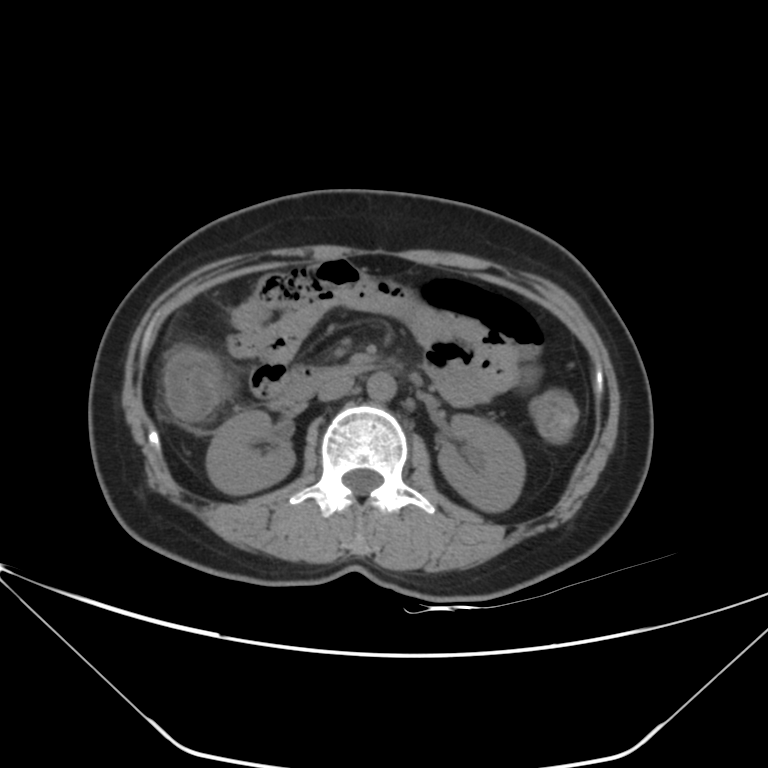 CT abdomen. axial view. 768x768 px
{"organs":{"right kidney":[206,411,293,493],"left kidney":[438,414,525,512],"inferior vena cava":[318,376,353,400],"aorta":[367,371,396,400],"duodenum":[271,364,375,408]}}